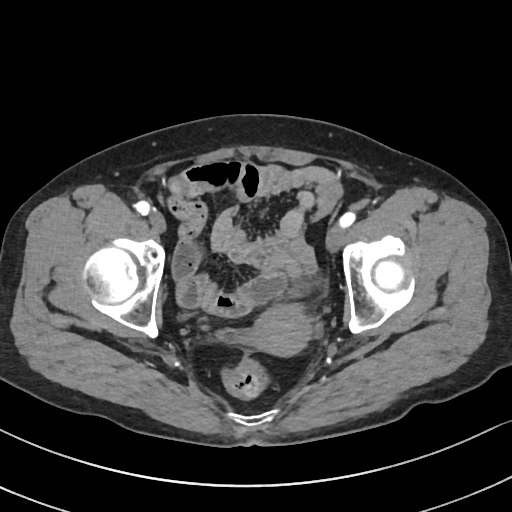 Abdominal CT; axial plane, index 39; 15 organs annotated in this scan (that count is for the whole scan; organs this slice misses have no box)
<organs><organ name="bladder" x1="178" y1="280" x2="311" y2="319"/><organ name="prostate/uterus" x1="245" y1="306" x2="314" y2="356"/></organs>